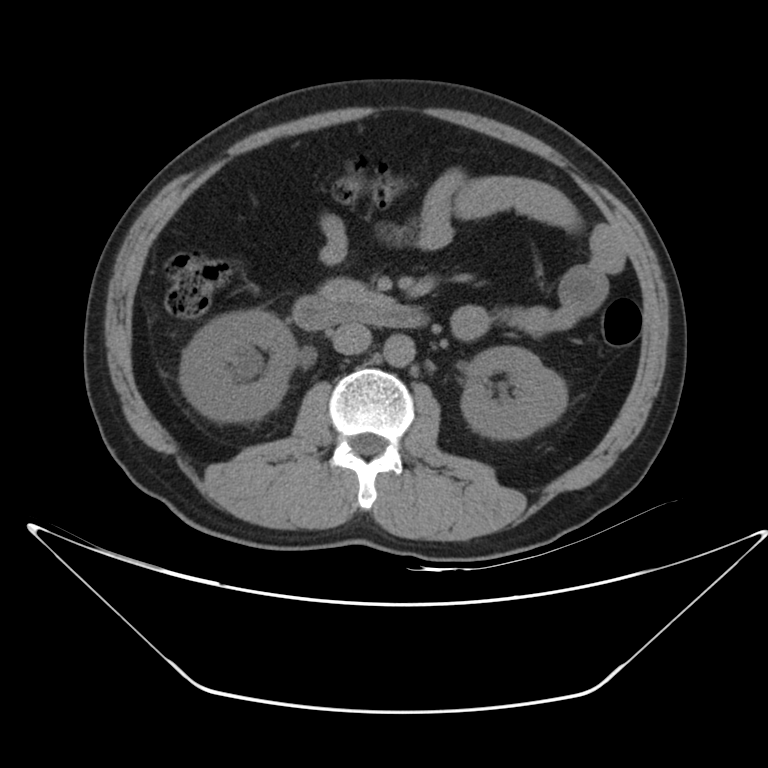 CT, abdomen/pelvis · axial view · soft-tissue window · 768x768 px · 45-year-old male patient
Box edges are left/top/right/bottom in pixels.
right kidney: left=179, top=310, right=297, bottom=421
left kidney: left=461, top=346, right=567, bottom=439
aorta: left=383, top=334, right=415, bottom=366
inferior vena cava: left=333, top=323, right=370, bottom=354
pancreas: left=320, top=278, right=370, bottom=300
duodenum: left=292, top=295, right=428, bottom=329